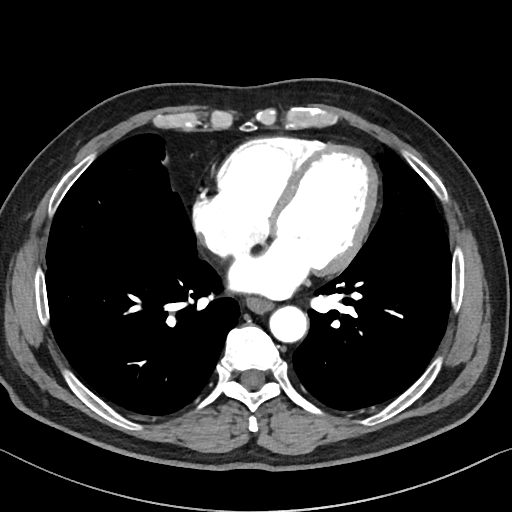

Abdominal CT; this slice is in the lower chest, just above the liver — Axial slice 215/245 — soft-tissue window — 512x512 px
No part of the heart or lungs is labeled in this dataset, so neither has a box here. Boxes are (x1, y1, x2, y2) in pixels. Labeled organs on this slice: esophagus at (246, 296, 273, 312), aorta at (269, 305, 307, 342).